CT of the abdomen extending into the chest, slice through the chest — axial view — soft-tissue window (W 400 / L 40) — 512x512 px — 62-year-old female patient
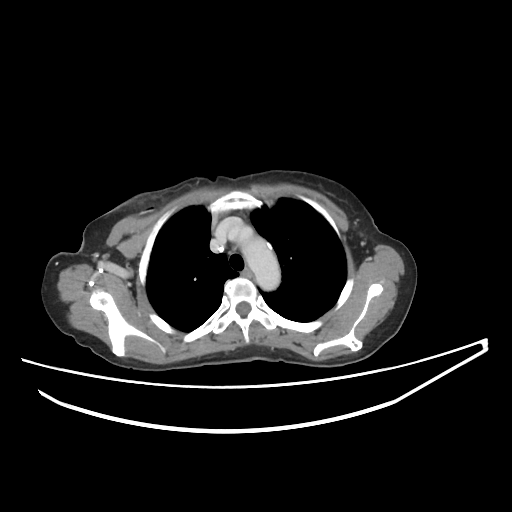 On a slice this high in the chest, this dataset labels only the esophagus and the aorta, and each is boxed only where it is labeled; the heart, lungs and other chest structures are not labeled. Boxes: x1 y1 x2 y2 (pixel coords, space-separated). Labeled organs on this slice: aorta at 235 227 280 290, esophagus at 242 269 252 277.